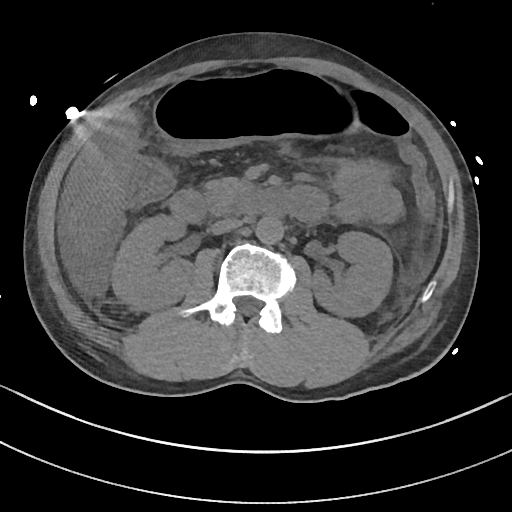
Computed tomography, abdomen — axial plane, index 152 — acquired on SOMATOM Force — 15 organs annotated in this scan (that count is for the whole scan; organs this slice misses have no box)
Bounding boxes in pixels, one row per box: x1, y1 is the top-left corner and x2, y2 the bottom-right.
| organ | x1 | y1 | x2 | y2 |
|---|---|---|---|---|
| right kidney | 112 | 216 | 194 | 312 |
| left kidney | 312 | 231 | 392 | 318 |
| liver | 63 | 109 | 140 | 256 |
| stomach | 151 | 75 | 361 | 156 |
| aorta | 255 | 216 | 284 | 244 |
| inferior vena cava | 210 | 218 | 242 | 234 |
| pancreas | 204 | 177 | 252 | 214 |
| duodenum | 168 | 186 | 327 | 225 |